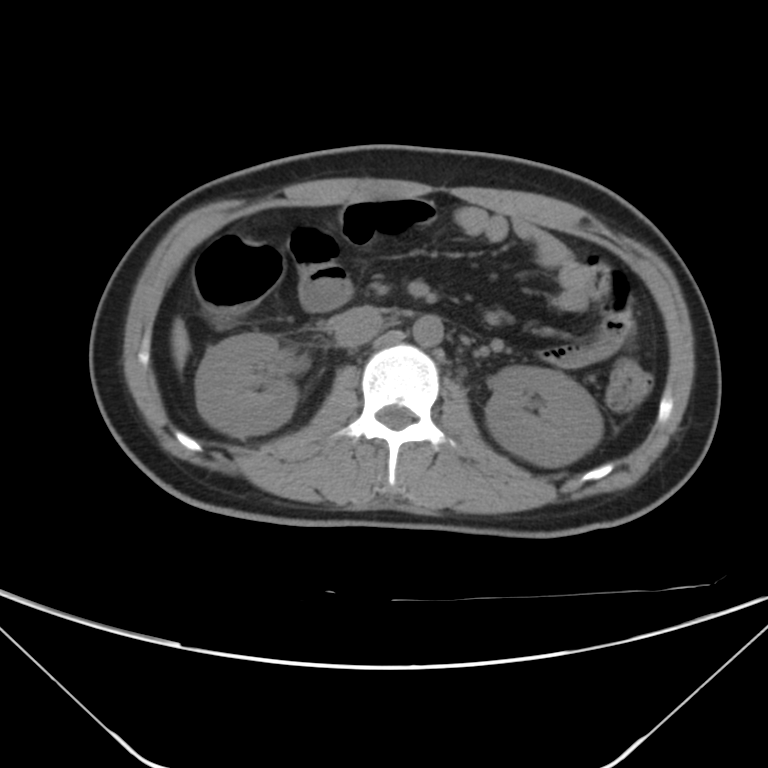
Abdominal CT · axial view · 768x768 px · 24-year-old male patient
<organs><organ name="right kidney" x1="195" y1="332" x2="297" y2="437"/><organ name="left kidney" x1="485" y1="366" x2="603" y2="466"/><organ name="liver" x1="171" y1="319" x2="189" y2="370"/><organ name="aorta" x1="413" y1="314" x2="443" y2="346"/><organ name="inferior vena cava" x1="334" y1="306" x2="383" y2="347"/></organs>